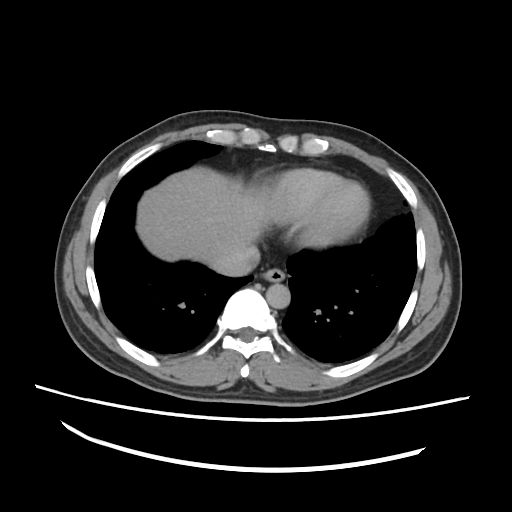
Abdominal CT; Axial slice 91/97; soft-tissue window (W 400 / L 40); 512x512 px; 44-year-old male patient; scan has 15 labeled organs (that count is for the whole scan; organs this slice misses have no box)
Boxes are (x1, y1, x2, y2) in pixels.
esophagus: (260, 267, 286, 281)
liver: (136, 165, 266, 270)
aorta: (266, 284, 290, 308)
inferior vena cava: (211, 242, 259, 276)